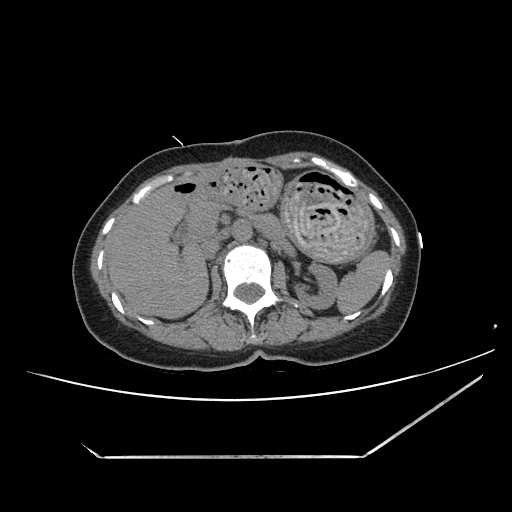
Abdominal CT · axial view · soft-tissue window (W 400 / L 40)
{"organs":{"spleen":[335,250,390,314],"left kidney":[294,263,337,309],"liver":[110,183,208,320],"stomach":[178,160,373,262],"aorta":[232,220,252,242],"inferior vena cava":[201,236,222,258],"pancreas":[188,197,285,238]}}